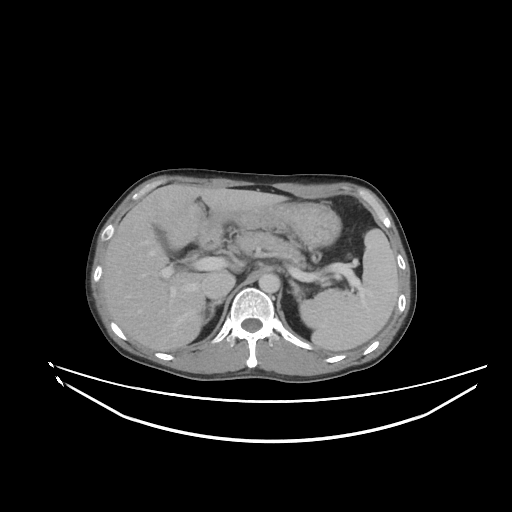 CT abdomen; axial view; 512x512 px
Boxes: x1 y1 x2 y2 (pixel coords, space-separated).
Organ bounding boxes:
- spleen: 299 228 398 351
- gall bladder: 156 228 173 254
- liver: 102 184 287 351
- stomach: 199 202 341 249
- aorta: 258 273 280 293
- inferior vena cava: 201 273 235 299
- pancreas: 234 231 306 267
- right adrenal gland: 203 299 223 323
- left adrenal gland: 289 279 303 301
- duodenum: 200 239 218 250